CT abdomen — axial view — 56-year-old female patient
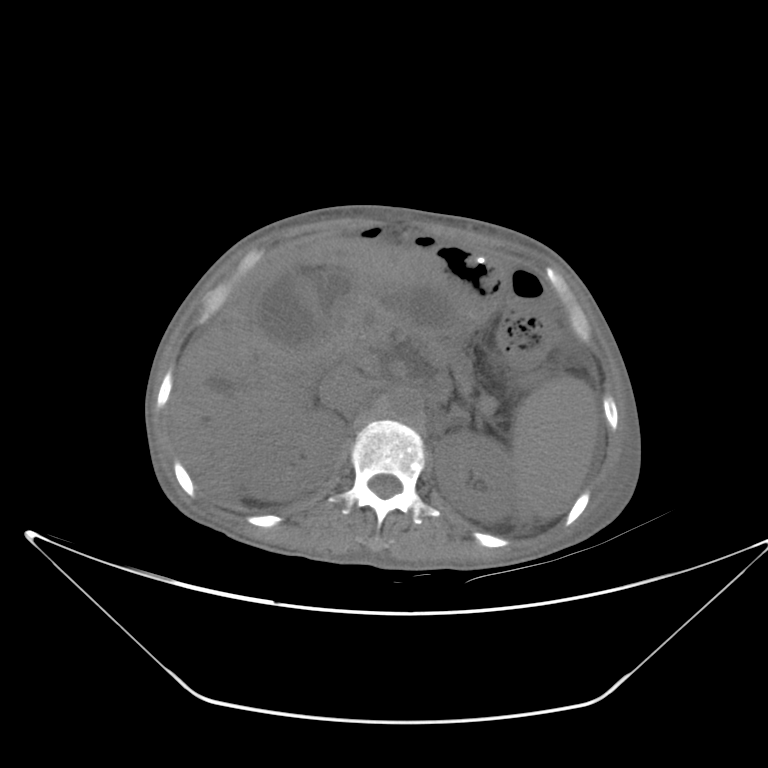
Coordinates as <box>x1,y1,x2,y2</box> in pixels.
Organ bounding boxes:
- right kidney: <box>240,410,345,500</box>
- gall bladder: <box>255,278,318,347</box>
- liver: <box>168,237,440,492</box>
- aorta: <box>390,388,423,420</box>
- inferior vena cava: <box>322,369,374,415</box>
- left kidney: <box>434,432,516,523</box>
- stomach: <box>403,273,487,333</box>
- spleen: <box>511,375,598,520</box>
- pancreas: <box>344,298,494,410</box>
- duodenum: <box>315,275,353,340</box>